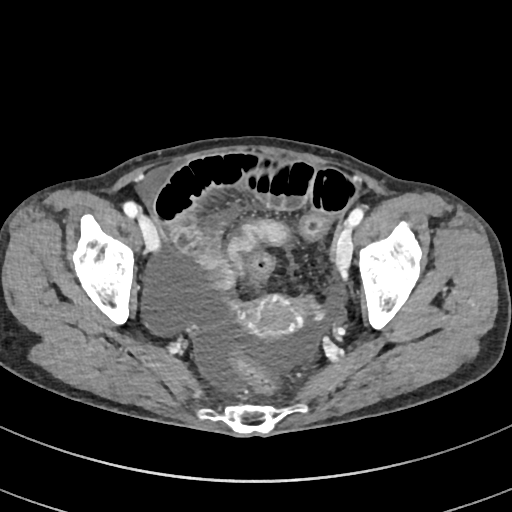

Abdominal CT · axial view · soft-tissue window · scan has 14 labeled organs (that count is for the whole scan; organs this slice misses have no box)
Box edges are left/top/right/bottom in pixels. The annotated organs in this slice are: prostate/uterus at left=240, top=297, right=304, bottom=338.